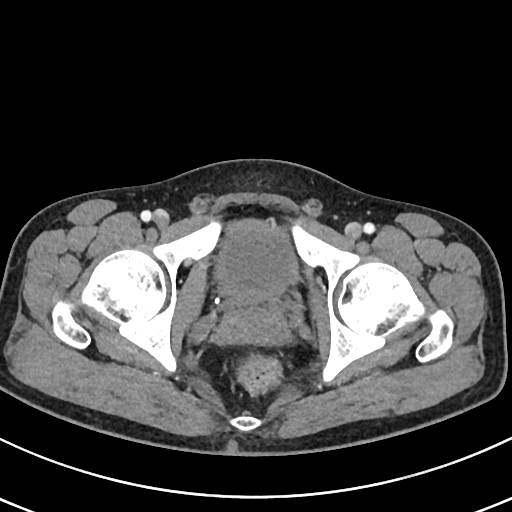 Computed tomography, abdomen. axial plane, index 21. 512x512 px
Coordinates as <box>x1,y1,x2,y2</box> in pixels.
bladder: <box>216,219,296,293</box>
prostate/uterus: <box>227,286,272,307</box>